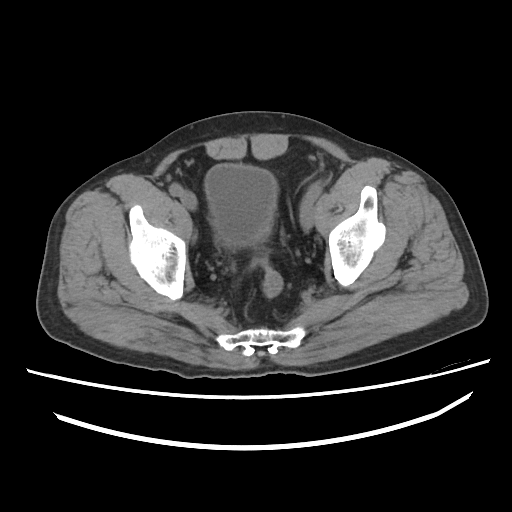

CT, abdomen/pelvis; axial plane, index 29; 48-year-old male patient; Aquilion ONE scanner
Organ boxes in pixel coordinates; each row gives the top-left (x1, y1) and bottom-right (x2, y2) corners.
| organ | x1 | y1 | x2 | y2 |
|---|---|---|---|---|
| bladder | 204 | 163 | 277 | 248 |